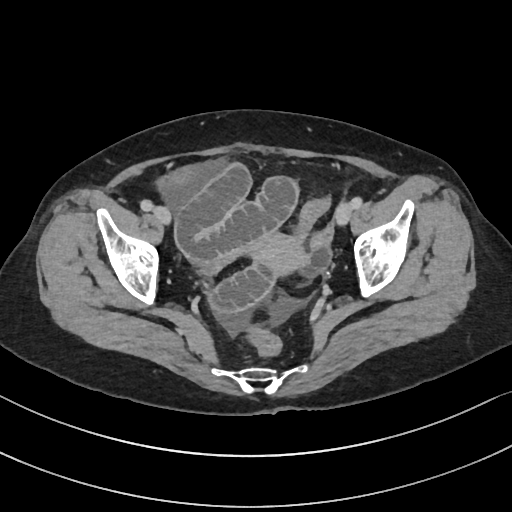
CT abdomen. axial view. soft-tissue window. acquired on SOMATOM Force
Boxes: x1:y1:x2:y2 in pixels. 1 labeled organ on this slice — prostate/uterus at 255:234:305:273.